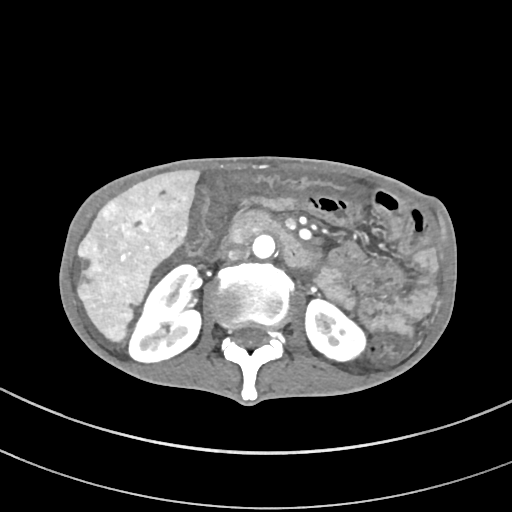

Abdominal CT · axial plane, index 126 · scan has 15 labeled organs (a whole-scan count: organs this slice does not pass through have no box)
<organs><organ name="right kidney" x1="129" y1="264" x2="200" y2="362"/><organ name="left kidney" x1="305" y1="299" x2="365" y2="361"/><organ name="liver" x1="77" y1="169" x2="199" y2="341"/><organ name="aorta" x1="252" y1="234" x2="278" y2="259"/><organ name="inferior vena cava" x1="227" y1="246" x2="249" y2="261"/><organ name="duodenum" x1="229" y1="211" x2="316" y2="267"/></organs>